CT, abdomen/pelvis. Axial slice 44/224. abdomen soft-tissue window
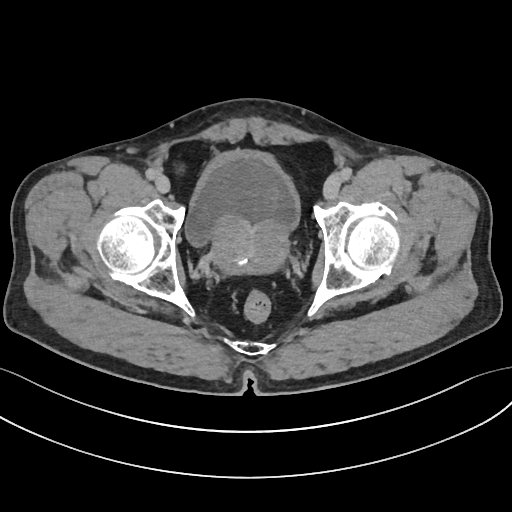
<organs><organ name="bladder" x1="185" y1="151" x2="299" y2="245"/><organ name="prostate/uterus" x1="212" y1="216" x2="287" y2="273"/></organs>